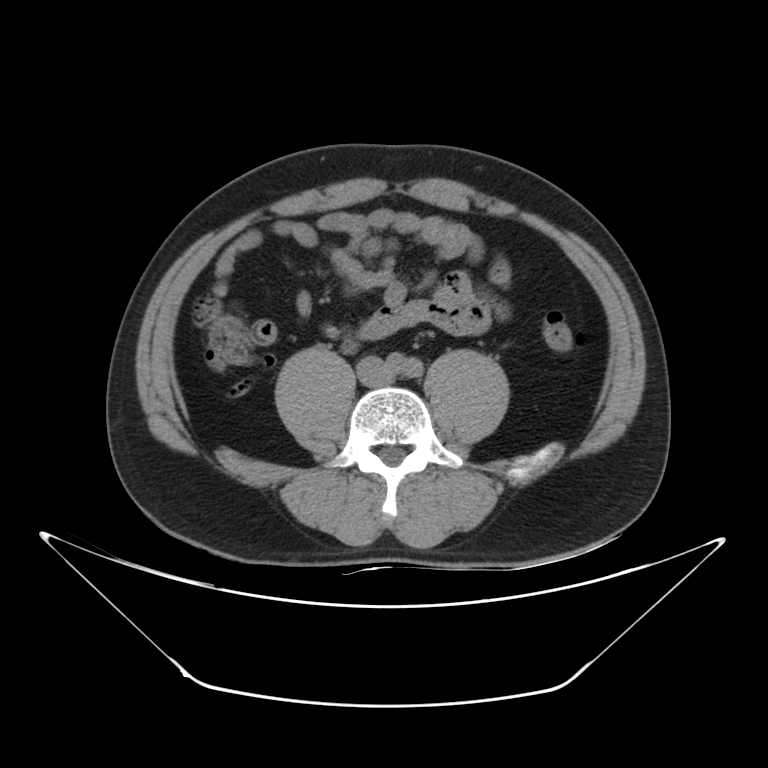
CT, abdomen/pelvis — axial plane, index 51 — 768x768 px
Organ boxes in pixel coordinates; each row gives the top-left (x1, y1) and bottom-right (x2, y2) corners.
| organ | x1 | y1 | x2 | y2 |
|---|---|---|---|---|
| inferior vena cava | 358 | 356 | 391 | 386 |